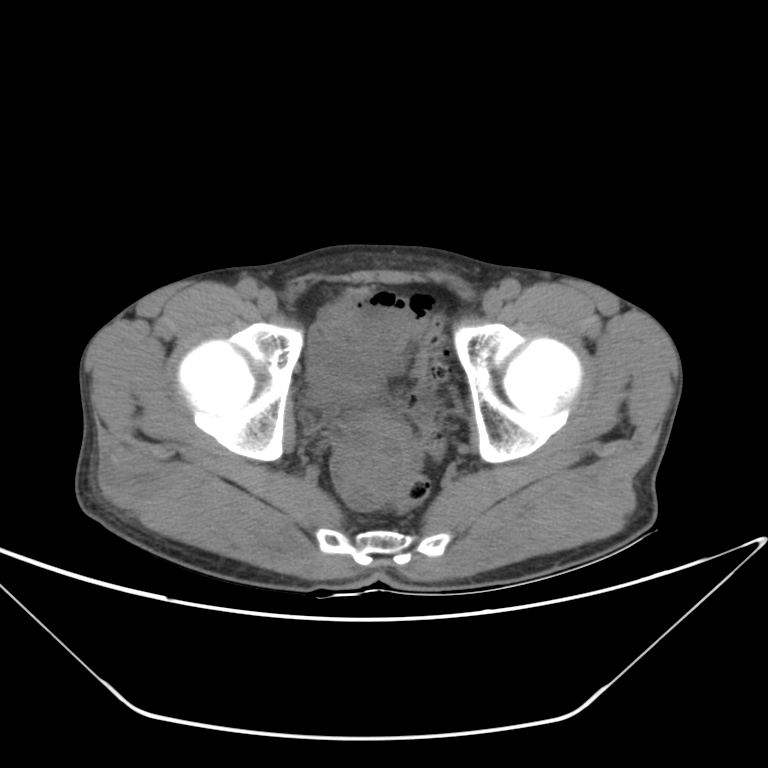

CT abdomen · Axial slice 22/79 · W/L 400/40 HU · 768x768 px · 53-year-old male patient · 15 organs annotated in this scan (counted over the whole 3D scan, not this slice; an organ is boxed only where this slice passes through it)
Boxes: x1:y1:x2:y2 in pixels.
Organ bounding boxes:
- bladder: 325:352:383:389